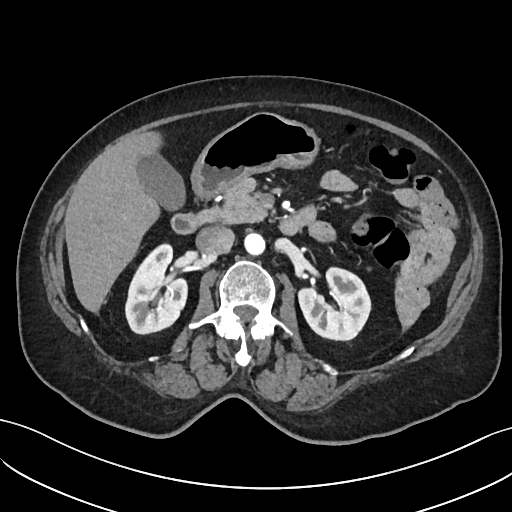

CT abdomen. axial view. abdomen soft-tissue window. 512x512 px. 15 organs annotated in this scan (a whole-scan count: organs this slice does not pass through have no box)
<organs><organ name="right kidney" x1="125" y1="244" x2="187" y2="334"/><organ name="left kidney" x1="298" y1="267" x2="370" y2="340"/><organ name="gall bladder" x1="137" y1="154" x2="185" y2="210"/><organ name="liver" x1="64" y1="132" x2="162" y2="312"/><organ name="stomach" x1="191" y1="112" x2="319" y2="198"/><organ name="aorta" x1="244" y1="233" x2="264" y2="255"/><organ name="inferior vena cava" x1="195" y1="227" x2="234" y2="255"/><organ name="pancreas" x1="197" y1="178" x2="267" y2="223"/><organ name="duodenum" x1="171" y1="210" x2="311" y2="234"/></organs>